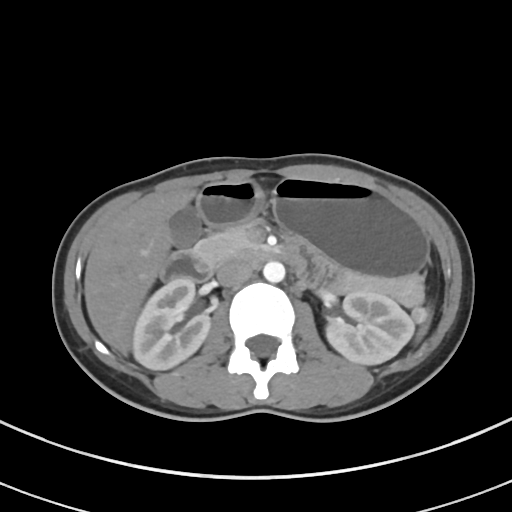

Abdominal CT. axial view. soft-tissue window. 512x512 px
Boxes: x1:y1:x2:y2 in pixels.
inferior vena cava: 217:258:252:286
right kidney: 132:277:210:370
duodenum: 159:247:272:282
left kidney: 326:291:414:365
stomach: 197:178:428:277
gall bladder: 168:205:201:247
spleen: 417:309:430:342
pancreas: 191:225:423:307
aorta: 263:261:285:282
liver: 84:188:197:354